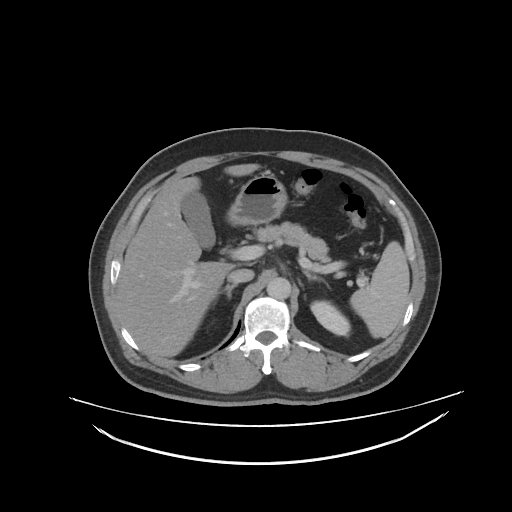 Computed tomography, abdomen; axial view; soft-tissue window
<organs><organ name="liver" x1="117" y1="164" x2="259" y2="357"/><organ name="pancreas" x1="253" y1="221" x2="330" y2="264"/><organ name="right adrenal gland" x1="210" y1="284" x2="236" y2="305"/><organ name="inferior vena cava" x1="228" y1="268" x2="253" y2="283"/><organ name="stomach" x1="227" y1="171" x2="285" y2="226"/><organ name="spleen" x1="350" y1="240" x2="410" y2="338"/><organ name="left kidney" x1="311" y1="300" x2="350" y2="335"/><organ name="left adrenal gland" x1="303" y1="271" x2="333" y2="289"/><organ name="aorta" x1="267" y1="276" x2="291" y2="299"/><organ name="gall bladder" x1="181" y1="191" x2="214" y2="248"/></organs>